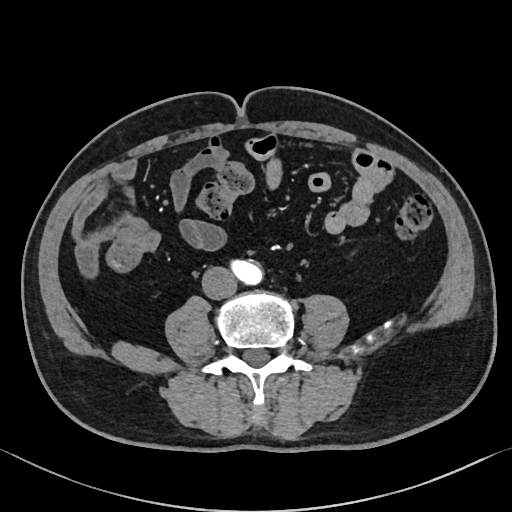

Computed tomography, abdomen; axial view; abdomen soft-tissue window
<organs><organ name="aorta" x1="229" y1="260" x2="264" y2="285"/><organ name="inferior vena cava" x1="202" y1="267" x2="236" y2="299"/></organs>